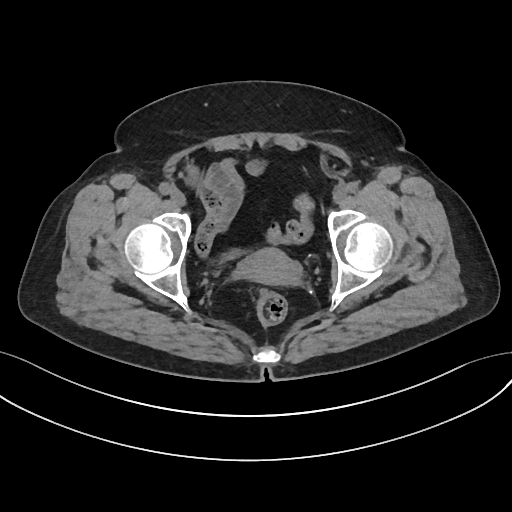

CT, abdomen/pelvis. axial view. soft-tissue window
<organs><organ name="prostate/uterus" x1="239" y1="248" x2="299" y2="284"/><organ name="bladder" x1="224" y1="251" x2="243" y2="260"/></organs>